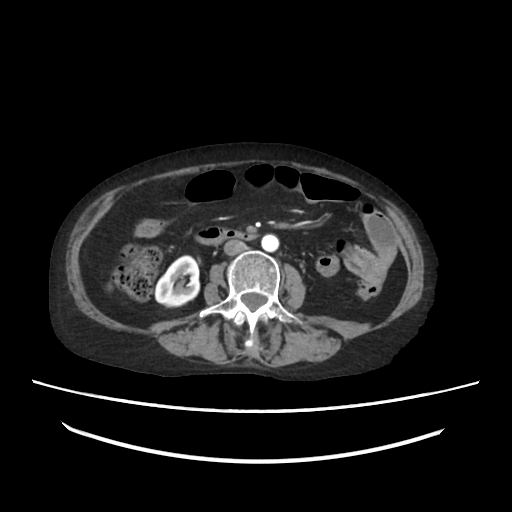
CT, abdomen/pelvis; Axial slice 49/89; soft-tissue window (W 400 / L 40); 61-year-old female patient
Bounding boxes in pixels, one row per box: x1, y1 is the top-left corner and x2, y2 the bottom-right.
| organ | x1 | y1 | x2 | y2 |
|---|---|---|---|---|
| right kidney | 155 | 255 | 200 | 304 |
| aorta | 262 | 234 | 279 | 251 |
| inferior vena cava | 224 | 240 | 248 | 254 |
| duodenum | 195 | 227 | 256 | 244 |